CT, abdomen/pelvis; axial view; abdomen soft-tissue window; 768x768 px; scan has 15 labeled organs (counted over the whole 3D scan, not this slice; an organ is boxed only where this slice passes through it)
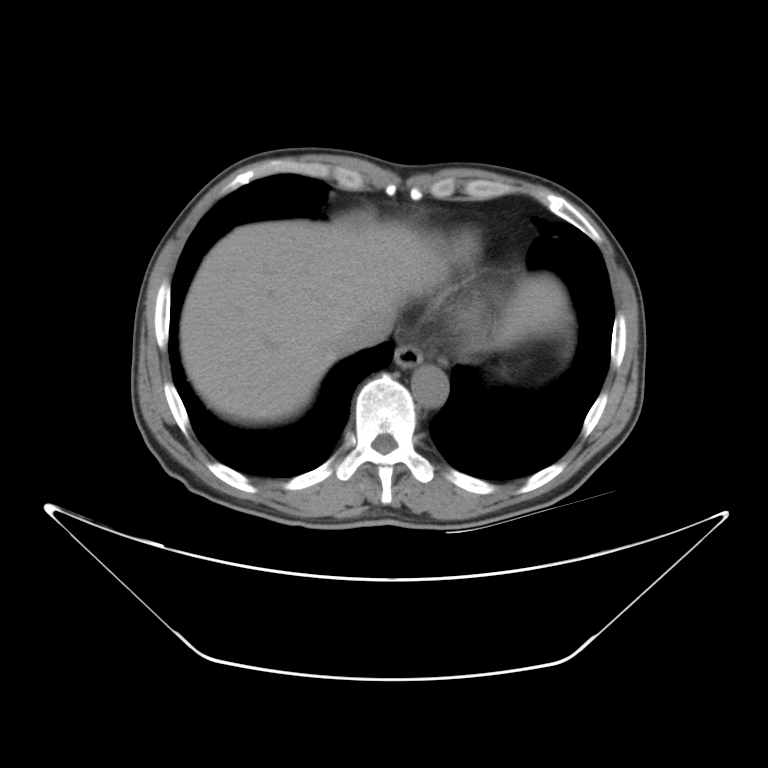
One row per box, in pixels: columns x1 and y1 give the top-left corner, x2 and y2 the bottom-right.
| organ | x1 | y1 | x2 | y2 |
|---|---|---|---|---|
| esophagus | 395 | 346 | 422 | 367 |
| liver | 179 | 205 | 574 | 423 |
| aorta | 413 | 365 | 447 | 407 |
| inferior vena cava | 336 | 314 | 396 | 352 |